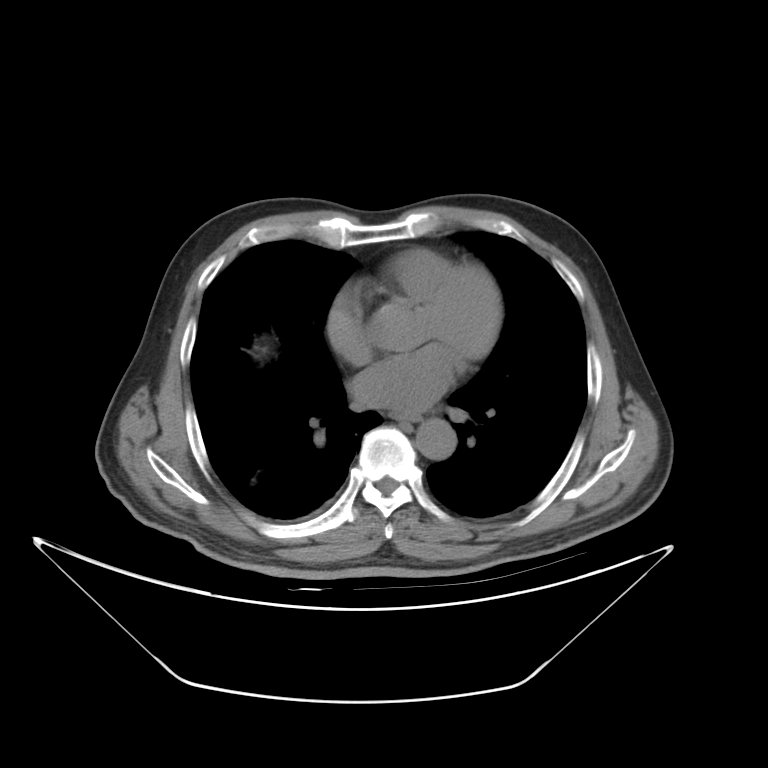

CT of the abdomen reaching into the lower chest, slice just above the liver and spleen · axial view · 768x768 px · 66-year-old male patient
No part of the heart or lungs is labeled in this dataset, so neither has a box here.
Boxes are (x1, y1, x2, y2) in pixels.
Organ bounding boxes:
- aorta: (413, 419, 454, 458)